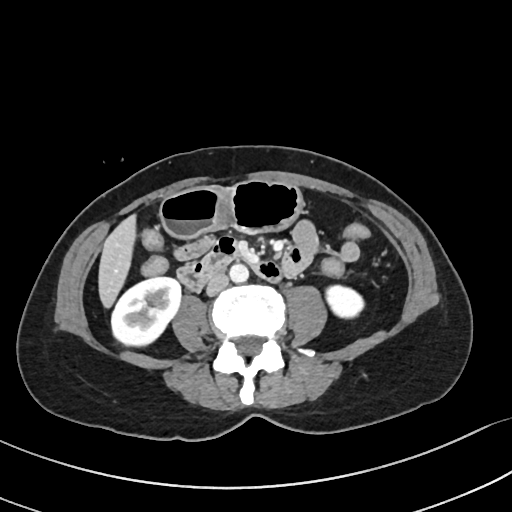

Computed tomography, abdomen — axial view — 15 organs annotated in this scan (counted over the whole 3D scan, not this slice; an organ is boxed only where this slice passes through it)
One row per box, in pixels: columns x1 and y1 give the top-left corner, x2 and y2 the bottom-right.
| organ | x1 | y1 | x2 | y2 |
|---|---|---|---|---|
| right kidney | 112 | 276 | 180 | 346 |
| left kidney | 324 | 286 | 362 | 318 |
| liver | 99 | 214 | 137 | 305 |
| stomach | 161 | 180 | 303 | 237 |
| aorta | 229 | 263 | 248 | 282 |
| inferior vena cava | 206 | 273 | 228 | 295 |
| duodenum | 177 | 236 | 281 | 290 |